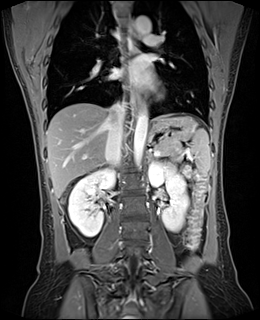
Abdominal MRI — coronal plane, index 62 — percentile-normalized
Organ boxes in pixel coordinates; each row gives the top-left (x1, y1) and bottom-right (x2, y2) corners.
| organ | x1 | y1 | x2 | y2 |
|---|---|---|---|---|
| pancreas | 156 | 141 | 180 | 155 |
| left kidney | 148 | 162 | 188 | 230 |
| stomach | 148 | 116 | 197 | 143 |
| right kidney | 68 | 169 | 114 | 236 |
| aorta | 133 | 105 | 148 | 167 |
| aorta | 136 | 16 | 150 | 33 |
| liver | 46 | 103 | 173 | 197 |
| left adrenal gland | 148 | 155 | 151 | 161 |
| spleen | 189 | 128 | 210 | 175 |
| inferior vena cava | 105 | 102 | 126 | 165 |
| esophagus | 133 | 90 | 140 | 110 |
| esophagus | 130 | 24 | 136 | 37 |